CT, abdomen/pelvis; axial plane, index 81; soft-tissue window; 512x512 px; 15 organs annotated in this scan (counted over the whole 3D scan, not this slice; an organ is boxed only where this slice passes through it)
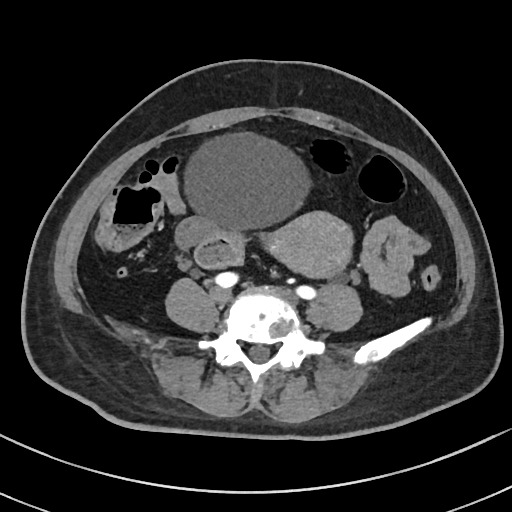 Boxes: x1:y1:x2:y2 in pixels.
bladder: 184:132:308:229
prostate/uterus: 258:211:353:278